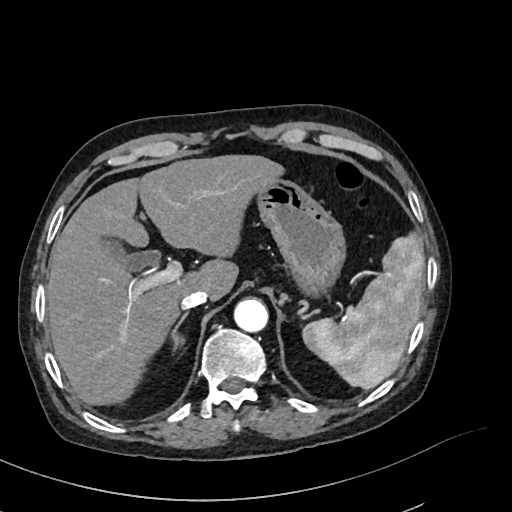

CT, abdomen/pelvis. axial plane, index 187
<organs><organ name="liver" x1="47" y1="155" x2="285" y2="407"/><organ name="inferior vena cava" x1="180" y1="289" x2="208" y2="309"/><organ name="gall bladder" x1="104" y1="240" x2="159" y2="269"/><organ name="stomach" x1="259" y1="180" x2="348" y2="301"/><organ name="right adrenal gland" x1="173" y1="314" x2="186" y2="342"/><organ name="aorta" x1="233" y1="299" x2="268" y2="332"/><organ name="spleen" x1="301" y1="235" x2="423" y2="388"/></organs>